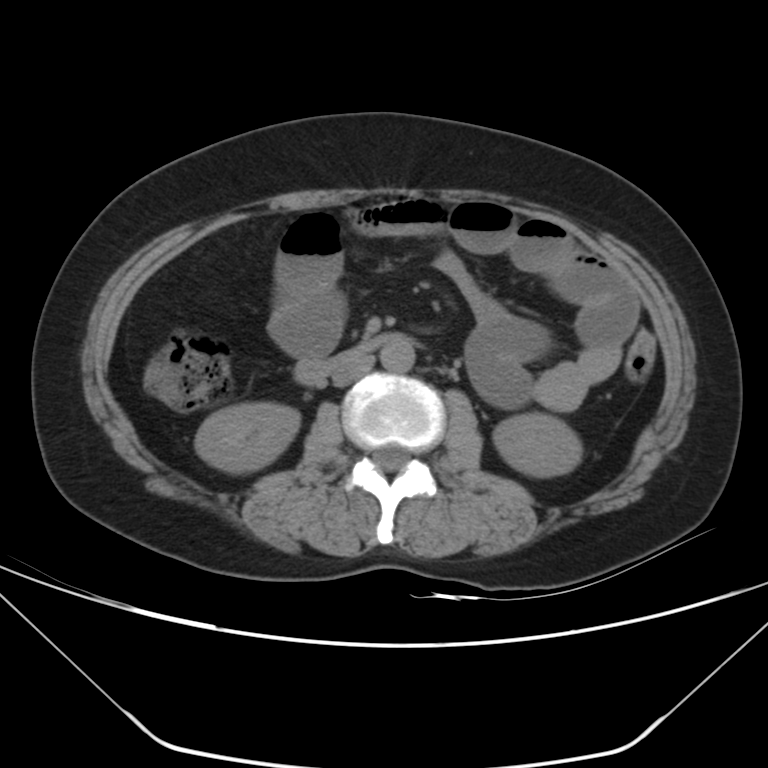

CT, abdomen/pelvis · axial view · soft-tissue window (W 400 / L 40) · 40-year-old male patient · 15 organs annotated in this scan (counted over the whole 3D scan, not this slice; an organ is boxed only where this slice passes through it)
Boxes are (x1, y1, x2, y2) in pixels.
right kidney: (194, 401, 300, 473)
left kidney: (493, 413, 581, 476)
aorta: (380, 335, 415, 372)
duodenum: (294, 334, 394, 385)
inferior vena cava: (332, 355, 374, 385)